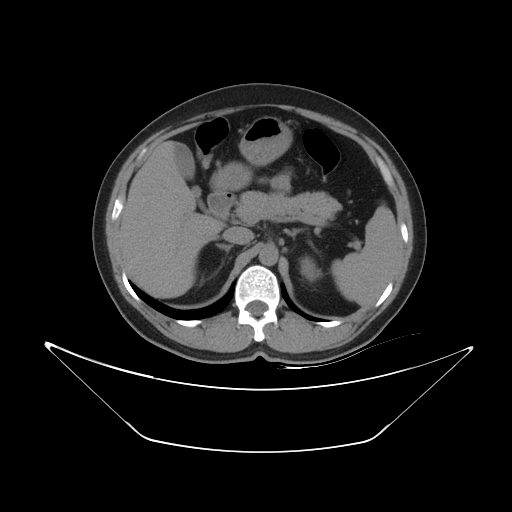
CT abdomen · Axial slice 67/83 · acquired on Brilliance16
{"organs":{"spleen":[331,205,398,306],"left kidney":[300,256,321,280],"gall bladder":[174,142,206,210],"liver":[117,141,223,298],"stomach":[210,117,292,190],"aorta":[259,244,278,265],"inferior vena cava":[223,227,253,244],"pancreas":[235,190,341,220],"right adrenal gland":[215,244,232,252],"left adrenal gland":[286,228,304,238],"duodenum":[207,190,235,219]}}